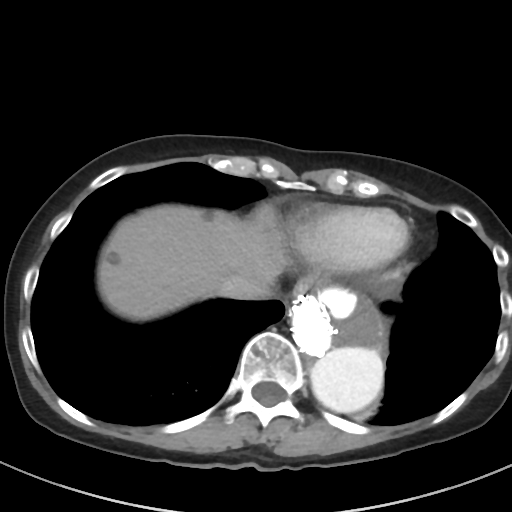
Computed tomography, abdomen; axial view; 512x512 px
Boxes: x1:y1:x2:y2 in pixels.
Organ bounding boxes:
- esophagus: 292:273:318:297
- liver: 97:204:284:320
- aorta: 292:281:386:413
- inferior vena cava: 218:273:272:299